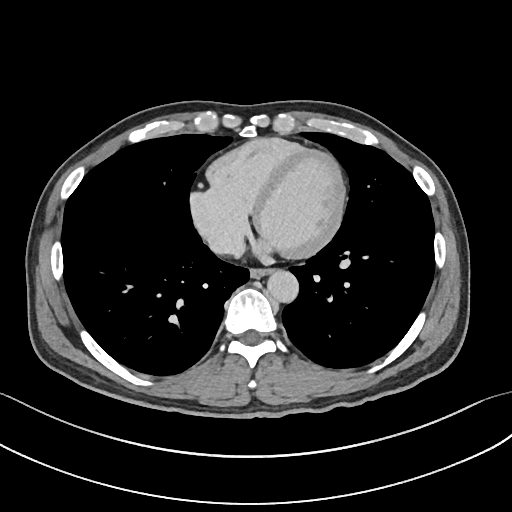 Lower-chest slice from an abdominal CT, just above the liver and spleen — axial view — soft-tissue window, W/L 400/40
No part of the heart or lungs is labeled in this dataset, so neither has a box here.
Organ boxes in pixel coordinates; each row gives the top-left (x1, y1) and bottom-right (x2, y2) corners.
| organ | x1 | y1 | x2 | y2 |
|---|---|---|---|---|
| aorta | 267 | 270 | 298 | 302 |
| esophagus | 250 | 268 | 273 | 278 |
| inferior vena cava | 209 | 234 | 244 | 256 |